Abdominal CT — axial view — abdomen soft-tissue window — 512x512 px — scan has 15 labeled organs (that count is for the whole scan; organs this slice misses have no box)
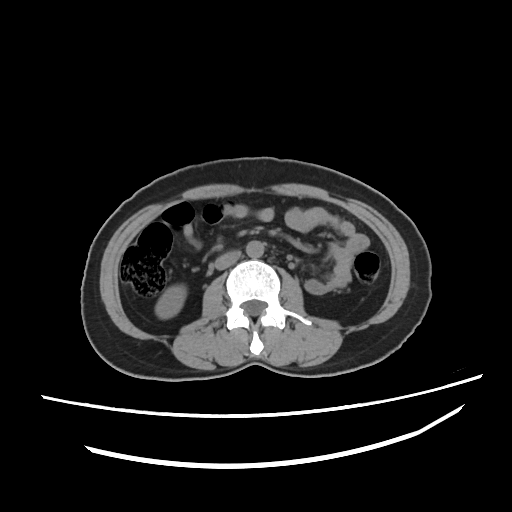 Bounding boxes as [x1, y1, x2, y2] in pixel coordinates. 3 labeled organs on this slice — right kidney at [155, 287, 184, 318]; aorta at [247, 240, 263, 256]; inferior vena cava at [214, 250, 240, 270].